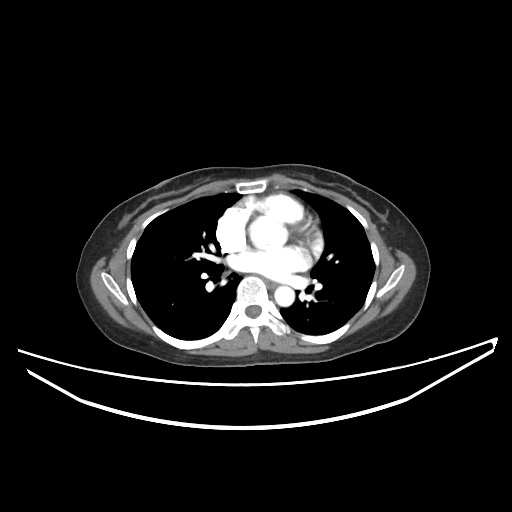

Chest-level slice from an abdominal CT that extends up into the chest; axial view; 512x512 px; 37-year-old female patient; Aquilion ONE scanner
On a slice this high in the chest, this dataset labels only the esophagus and the aorta, and each is boxed only where it is labeled; the heart, lungs and other chest structures are not labeled.
Boxes are (x1, y1, x2, y2) in pixels.
aorta: (274, 286, 294, 306)
esophagus: (267, 280, 277, 287)